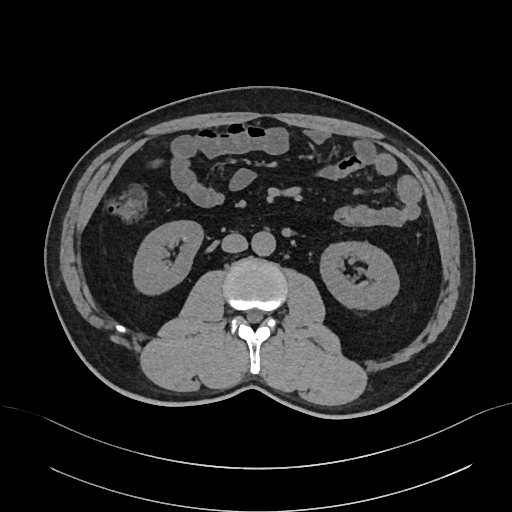
Computed tomography, abdomen — axial view — abdomen soft-tissue window — 512x512 px
{"organs":{"right kidney":[133,220,202,292],"left kidney":[320,241,399,308],"aorta":[251,230,275,255],"inferior vena cava":[221,233,247,252]}}